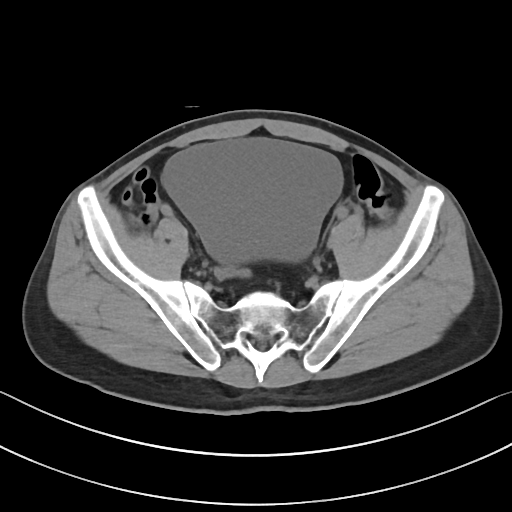

CT, abdomen/pelvis — axial view — soft-tissue window — 15 organs annotated in this scan (that count is for the whole scan; organs this slice misses have no box)
Each box given as x1,y1,x2,y2.
Organ bounding boxes:
- bladder: x1=162, y1=137, x2=342, y2=264